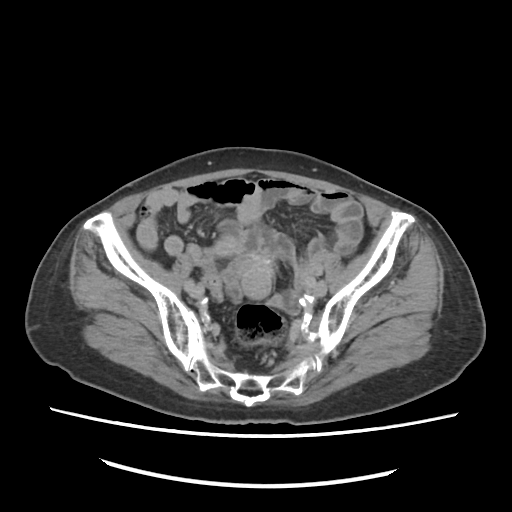

CT, abdomen/pelvis. axial view. Aquilion ONE scanner. 15 organs annotated in this scan (a whole-scan count: organs this slice does not pass through have no box)
<organs><organ name="prostate/uterus" x1="214" y1="232" x2="272" y2="299"/></organs>